Abdominal CT · axial view
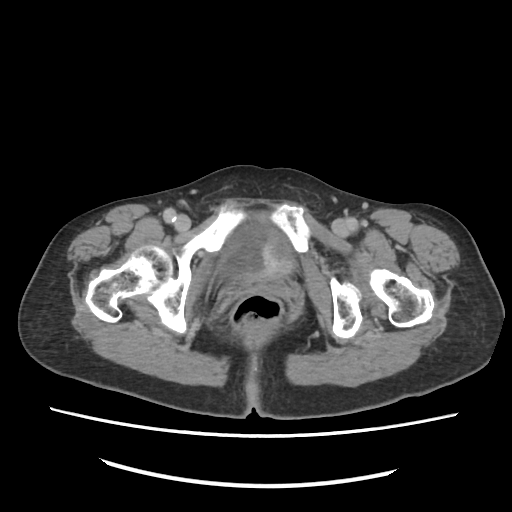 <organs><organ name="bladder" x1="225" y1="229" x2="290" y2="282"/></organs>